Computed tomography, abdomen. Axial slice 50/84. soft-tissue window (W 400 / L 40). 72-year-old male patient
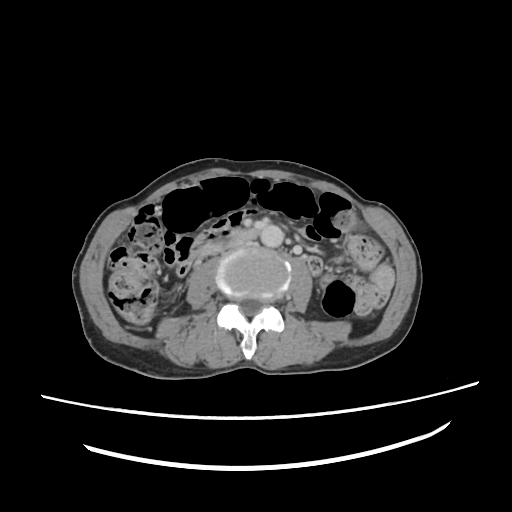 <organs><organ name="aorta" x1="260" y1="223" x2="284" y2="247"/><organ name="inferior vena cava" x1="207" y1="242" x2="244" y2="256"/><organ name="duodenum" x1="198" y1="230" x2="258" y2="252"/></organs>